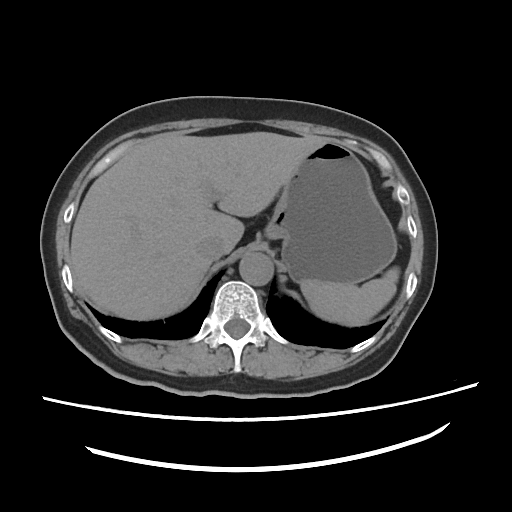 CT, abdomen/pelvis · axial view · 61-year-old female patient · scan has 14 labeled organs (counted over the whole 3D scan, not this slice; an organ is boxed only where this slice passes through it)
Boxes are (x1, y1, x2, y2) in pixels.
inferior vena cava: (195, 237, 224, 262)
liver: (70, 132, 328, 320)
aorta: (239, 252, 273, 285)
stomach: (265, 140, 397, 284)
spleen: (301, 266, 399, 326)